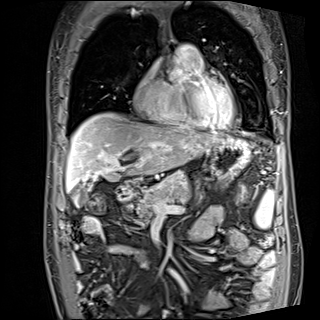
MRI, abdomen. Coronal slice 43/60. Prisma scanner
{"organs":{"liver":[66,112,221,189],"stomach":[210,136,250,179],"gall bladder":[73,188,86,205],"duodenum":[116,185,137,201],"pancreas":[135,170,190,221],"spleen":[255,190,273,228]}}